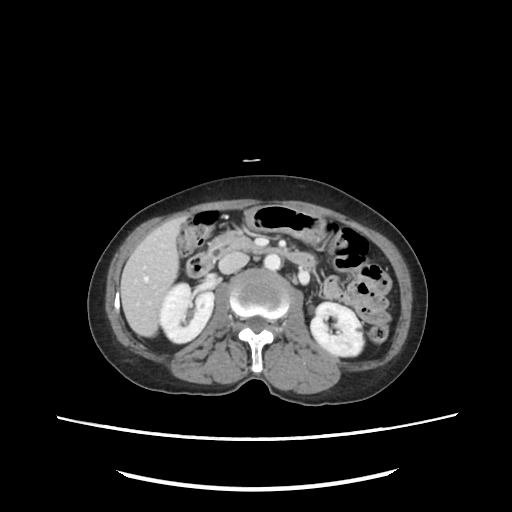
Abdominal CT. axial view. abdomen soft-tissue window. scan has 15 labeled organs (counted over the whole 3D scan, not this slice; an organ is boxed only where this slice passes through it)
Bounding boxes as [x1, y1, x2, y2] in pixel coordinates.
duodenum: [187, 248, 315, 278]
right kidney: [159, 282, 213, 343]
pancreas: [207, 230, 258, 259]
left kidney: [310, 301, 363, 356]
liver: [120, 217, 187, 337]
inferior vena cava: [218, 252, 248, 274]
aorta: [264, 254, 281, 270]
stomach: [243, 207, 324, 245]